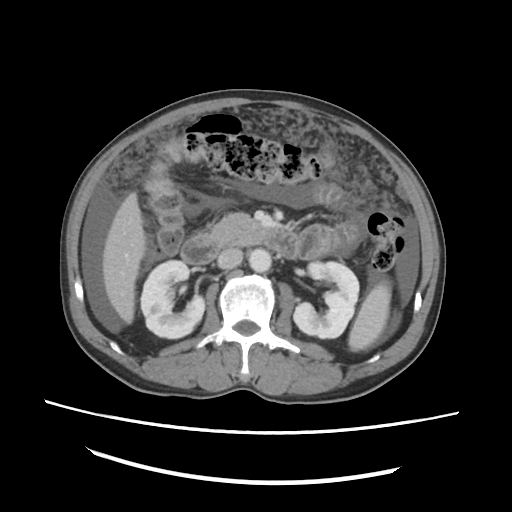

Computed tomography, abdomen — axial view — soft-tissue window — 512x512 px — 61-year-old male patient
Each box given as x1,y1,x2,y2. The annotated organs in this slice are: spleen at x1=348, y1=280, x2=390, y2=351, right kidney at x1=140, y1=260, x2=204, y2=338, left kidney at x1=293, y1=262, x2=359, y2=338, liver at x1=102, y1=192, x2=145, y2=323, aorta at x1=248, y1=248, x2=271, y2=272, inferior vena cava at x1=217, y1=248, x2=242, y2=268, pancreas at x1=206, y1=213, x2=264, y2=245, duodenum at x1=181, y1=231, x2=299, y2=264.